CT, abdomen/pelvis · axial view · 40-year-old male patient · Brilliance16 scanner
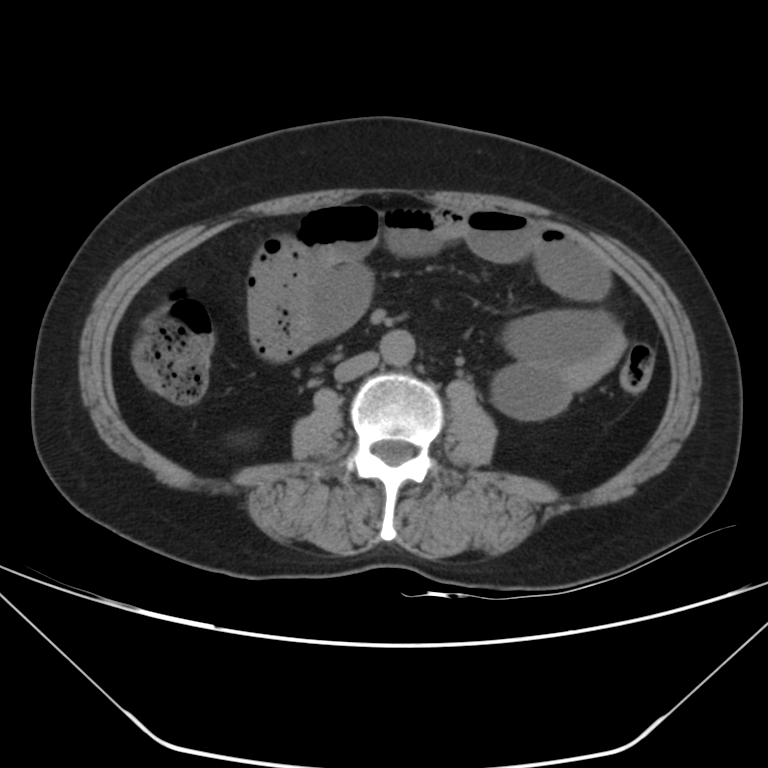 <organs><organ name="inferior vena cava" x1="334" y1="352" x2="379" y2="382"/><organ name="aorta" x1="380" y1="329" x2="415" y2="366"/></organs>